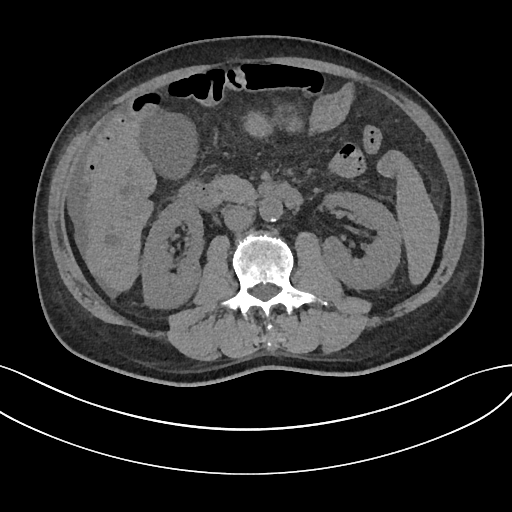 Abdominal CT. axial view. W/L 400/40 HU. SOMATOM Force scanner
Boxes: x1:y1:x2:y2 in pixels. 10 labeled organs on this slice — aorta at 259:198:282:221; duodenum at 180:182:301:209; liver at 85:120:156:290; gall bladder at 140:114:196:177; inferior vena cava at 222:205:252:230; stomach at 245:115:268:134; spleen at 397:157:438:282; right kidney at 142:200:203:307; pancreas at 210:176:256:203; left kidney at 321:191:402:290.